Abdominal CT · axial plane, index 174 · abdomen soft-tissue window · acquired on SOMATOM Force · scan has 15 labeled organs (a whole-scan count: organs this slice does not pass through have no box)
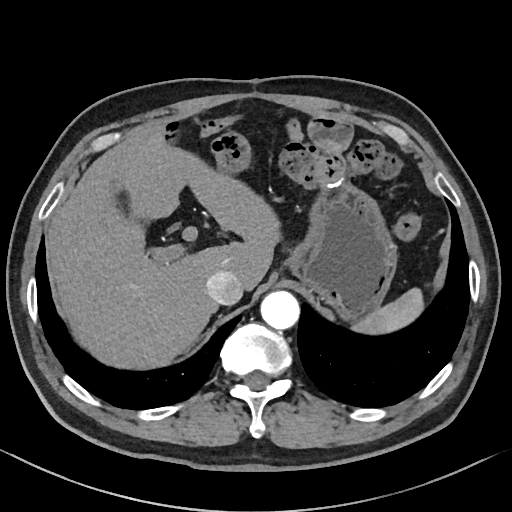
{"organs":{"spleen":[349,287,424,335],"gall bladder":[110,180,122,192],"liver":[47,126,279,369],"stomach":[289,186,397,322],"aorta":[260,291,299,329],"inferior vena cava":[206,270,243,305]}}